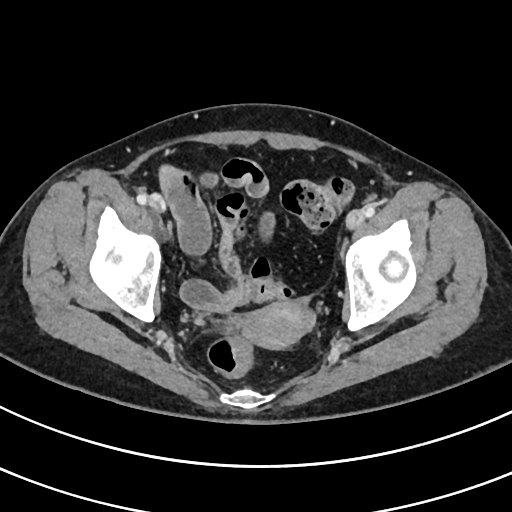

CT abdomen. axial view. abdomen soft-tissue window. 512x512 px. scan has 15 labeled organs (counted over the whole 3D scan, not this slice; an organ is boxed only where this slice passes through it)
Bounding boxes as [x1, y1, x2, y2] in pixel coordinates.
Organ bounding boxes:
- prostate/uterus: [231, 302, 314, 349]